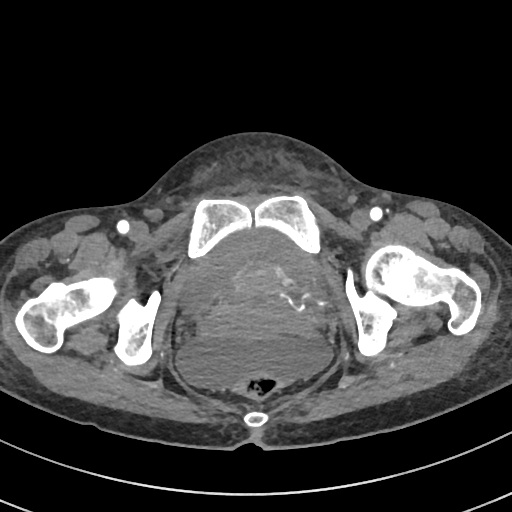

Computed tomography, abdomen; axial view; SOMATOM Force scanner
Each box given as x1,y1,x2,y2. The annotated organs in this slice are: bladder at x1=183, y1=228, x2=321, y2=310, prostate/uterus at x1=224, y1=263, x2=296, y2=320.